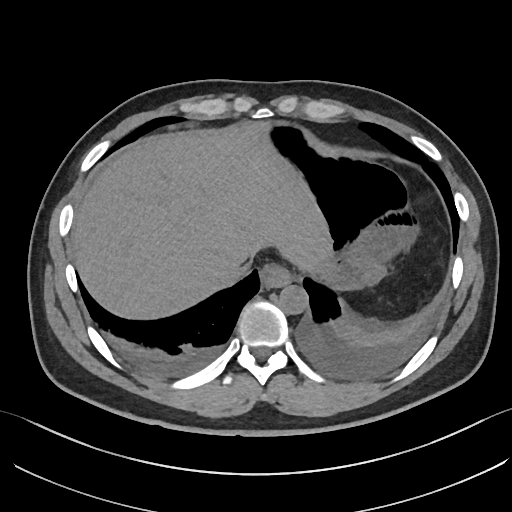 Computed tomography, abdomen. Axial slice 208/234. W/L 400/40 HU. 512x512 px
Bounding boxes in pixels, one row per box: x1, y1 is the top-left corner and x2, y2 the bottom-right.
| organ | x1 | y1 | x2 | y2 |
|---|---|---|---|---|
| inferior vena cava | 215 | 258 | 247 | 286 |
| esophagus | 260 | 263 | 293 | 287 |
| stomach | 268 | 126 | 410 | 289 |
| liver | 71 | 129 | 332 | 318 |
| aorta | 278 | 285 | 308 | 314 |